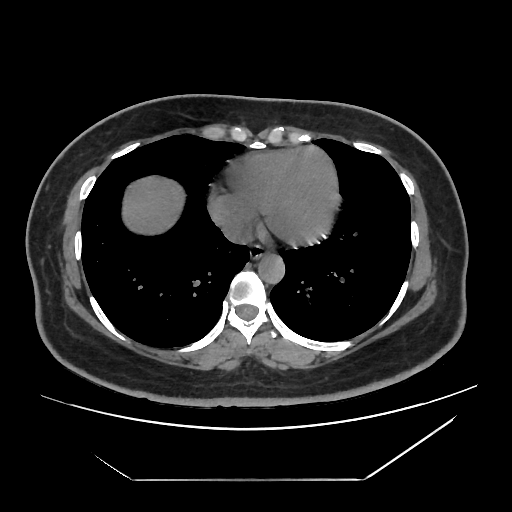
Computed tomography, abdomen · axial plane, index 316 · soft-tissue window · 15 organs annotated in this scan (counted over the whole 3D scan, not this slice; an organ is boxed only where this slice passes through it)
Each box given as x1,y1,x2,y2.
aorta: x1=257, y1=252, x2=284, y2=282
liver: x1=122, y1=175, x2=182, y2=235
esophagus: x1=250, y1=243, x2=270, y2=258
inferior vena cava: x1=223, y1=222, x2=252, y2=244